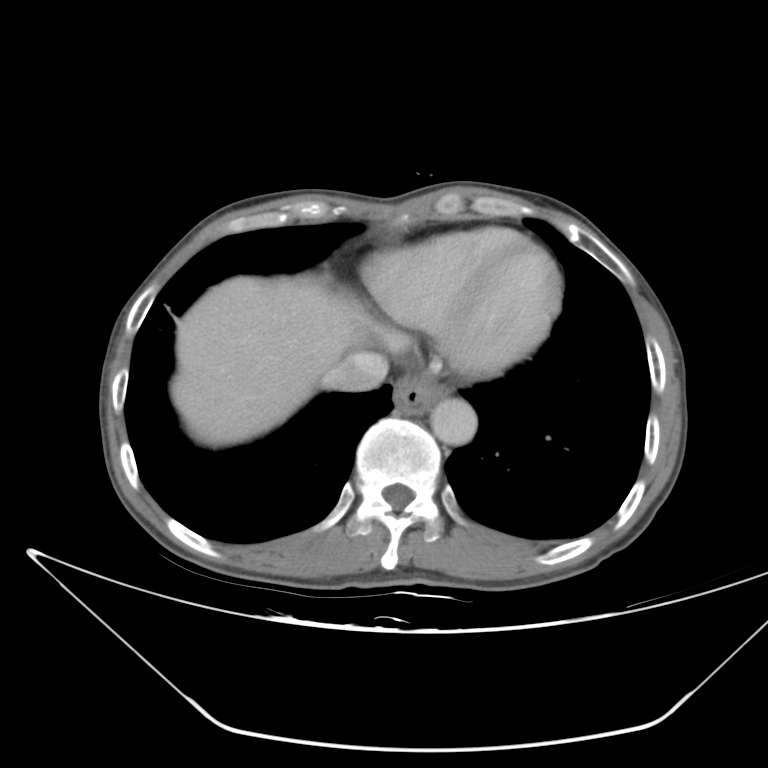

Abdominal CT — Axial slice 56/104 — Brilliance16 scanner
Bounding boxes as [x1, y1, x2, y2] in pixel coordinates. Labeled organs on this slice: esophagus at [392, 379, 444, 414], aorta at [430, 397, 477, 446], inferior vena cava at [324, 350, 388, 393], liver at [173, 276, 364, 443].